CT abdomen. axial view
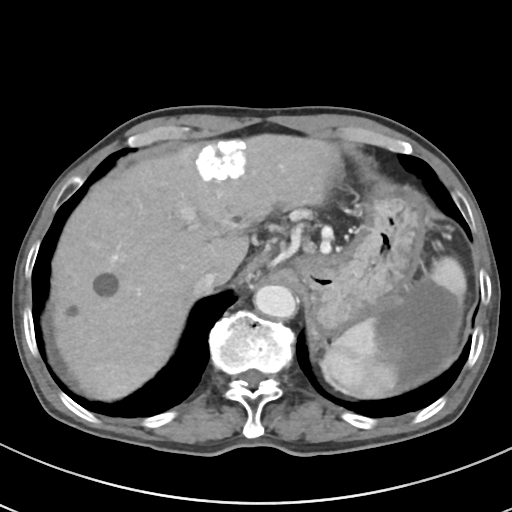
Coordinates as <box>x1,y1,x2,y2</box> in pixels. 5 labeled organs on this slice — liver at <box>50,134,339,400</box>; aorta at <box>254,285,297,318</box>; stomach at <box>295,192,425,333</box>; inferior vena cava at <box>193,269,219,296</box>; spleen at <box>321,257,466,398</box>.